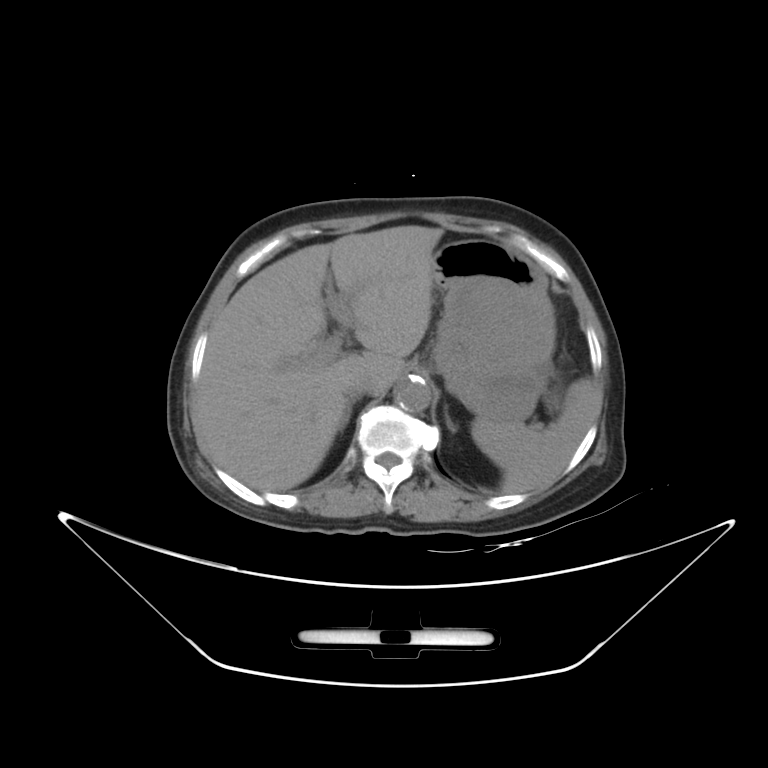

CT, abdomen/pelvis; axial view; 768x768 px; acquired on Brilliance16
Each box given as x1,y1,x2,y2.
spleen: x1=471, y1=380, x2=592, y2=492
liver: x1=195, y1=225, x2=443, y2=490
stomach: x1=433, y1=240, x2=552, y2=419
aorta: x1=394, y1=376, x2=431, y2=412
inferior vena cava: x1=343, y1=372, x2=373, y2=399
right adrenal gland: x1=343, y1=401, x2=353, y2=427
left adrenal gland: x1=446, y1=413, x2=448, y2=420